CT, abdomen/pelvis. Axial slice 215/242
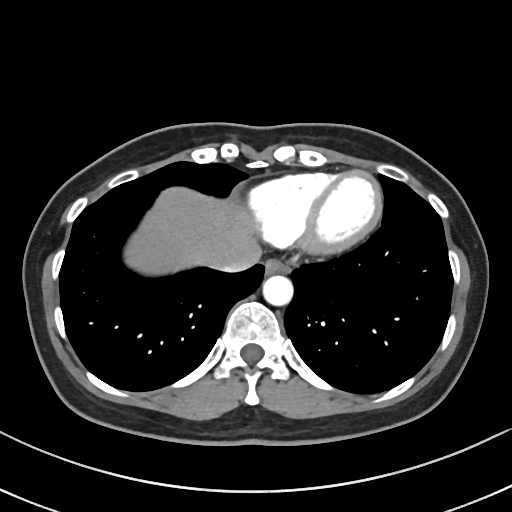
Bounding boxes in pixels, one row per box: x1, y1 is the top-left corner and x2, y2 the bottom-right.
| organ | x1 | y1 | x2 | y2 |
|---|---|---|---|---|
| esophagus | 265 | 257 | 290 | 272 |
| liver | 126 | 186 | 261 | 273 |
| aorta | 262 | 274 | 292 | 304 |
| inferior vena cava | 214 | 261 | 254 | 272 |